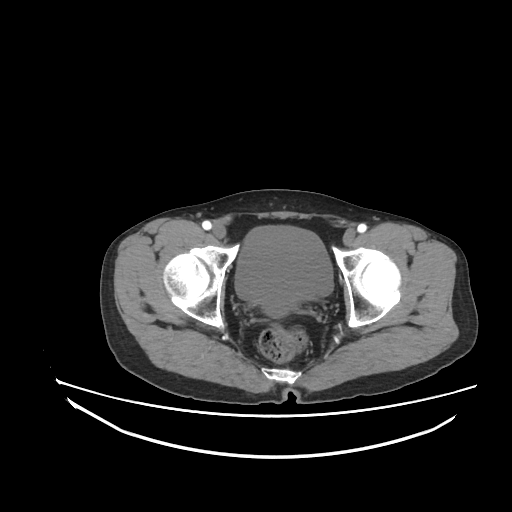
Abdominal CT. axial view. 512x512 px. Aquilion ONE scanner
One row per box, in pixels: columns x1 and y1 give the top-left corner, x2 and y2 the bottom-right.
| organ | x1 | y1 | x2 | y2 |
|---|---|---|---|---|
| bladder | 235 | 226 | 333 | 315 |